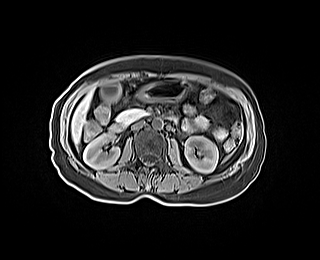

Magnetic resonance imaging, abdomen — axial view
<organs><organ name="duodenum" x1="109" y1="115" x2="175" y2="132"/><organ name="pancreas" x1="116" y1="108" x2="147" y2="124"/><organ name="stomach" x1="138" y1="80" x2="187" y2="101"/><organ name="left kidney" x1="185" y1="136" x2="218" y2="172"/><organ name="inferior vena cava" x1="131" y1="121" x2="144" y2="129"/><organ name="aorta" x1="152" y1="118" x2="163" y2="129"/><organ name="gall bladder" x1="100" y1="82" x2="120" y2="102"/><organ name="liver" x1="71" y1="92" x2="92" y2="146"/><organ name="right kidney" x1="83" y1="133" x2="119" y2="169"/></organs>